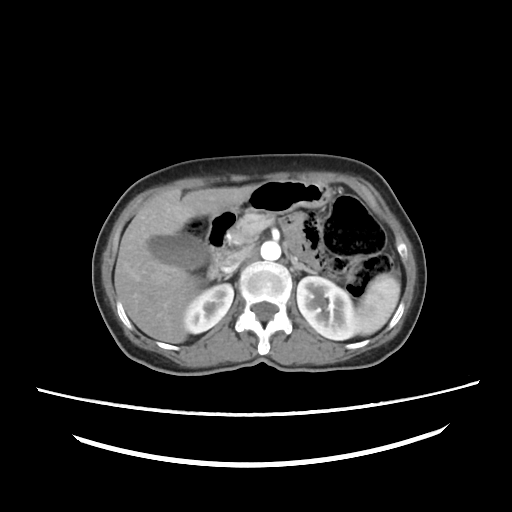
Computed tomography, abdomen. axial view. soft-tissue window
{"organs":{"left adrenal gland":[290,257,318,273],"liver":[115,184,254,342],"left kidney":[297,274,359,339],"stomach":[239,180,330,215],"duodenum":[206,208,238,278],"pancreas":[228,213,272,246],"aorta":[261,240,281,260],"right adrenal gland":[218,272,234,281],"inferior vena cava":[221,246,251,272],"gall bladder":[149,234,206,268],"spleen":[357,274,400,335],"right kidney":[184,284,233,333]}}